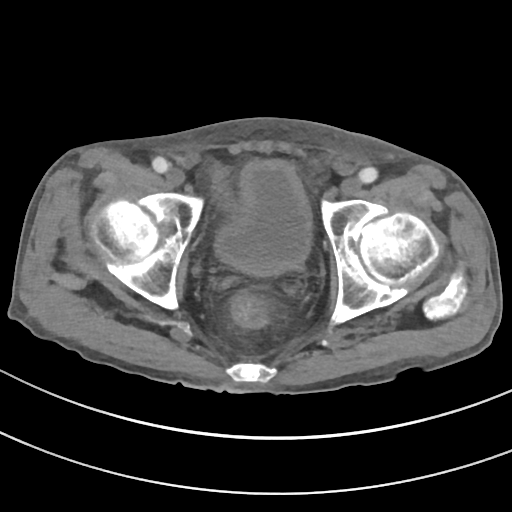

Computed tomography, abdomen; Axial slice 14/122; abdomen soft-tissue window
<organs><organ name="bladder" x1="215" y1="160" x2="311" y2="275"/></organs>